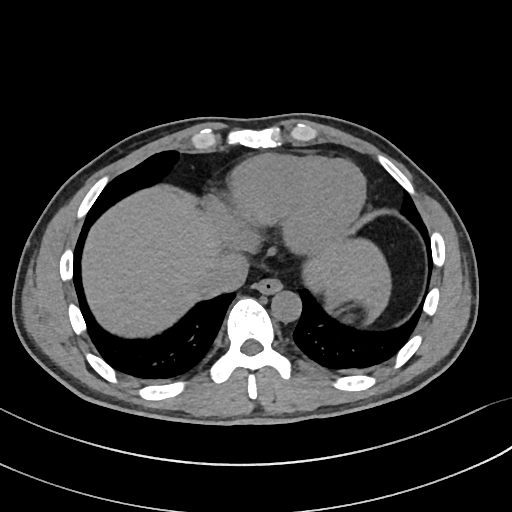 Computed tomography, abdomen; axial view; soft-tissue window
Boxes: x1 y1 x2 y2 (pixel coords, space-separated).
esophagus: 254 278 282 295
liver: 84 189 389 335
stomach: 329 299 338 304
aorta: 271 291 301 322
inferior vena cava: 200 251 250 294